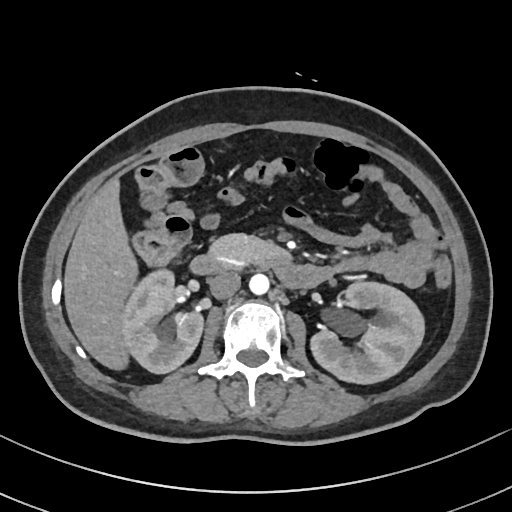

CT abdomen · Axial slice 122/191 · 512x512 px
Each box given as x1,y1,x2,y2.
right kidney: x1=124, y1=270, x2=203, y2=373
left kidney: x1=310, y1=282, x2=424, y2=383
liver: x1=64, y1=178, x2=138, y2=370
aorta: x1=249, y1=273, x2=269, y2=294
inferior vena cava: x1=208, y1=272, x2=240, y2=298
pancreas: x1=209, y1=234, x2=276, y2=266
duodenum: x1=190, y1=250, x2=324, y2=287